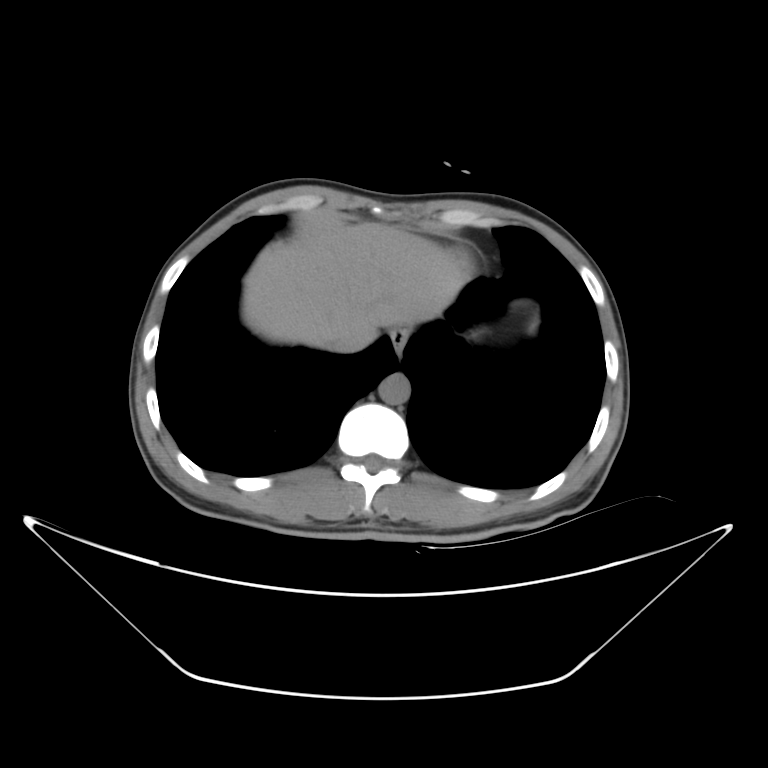 Computed tomography, abdomen · axial view · soft-tissue window
<organs><organ name="aorta" x1="379" y1="371" x2="409" y2="403"/><organ name="liver" x1="241" y1="222" x2="470" y2="350"/><organ name="inferior vena cava" x1="322" y1="332" x2="360" y2="352"/><organ name="esophagus" x1="392" y1="328" x2="411" y2="355"/></organs>